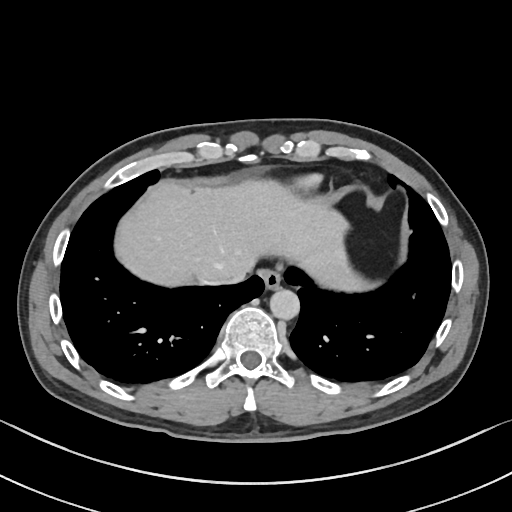

CT, abdomen/pelvis — axial plane, index 178 — soft-tissue window
<organs><organ name="esophagus" x1="258" y1="269" x2="281" y2="289"/><organ name="liver" x1="114" y1="181" x2="374" y2="291"/><organ name="aorta" x1="270" y1="289" x2="299" y2="320"/><organ name="inferior vena cava" x1="200" y1="275" x2="235" y2="283"/></organs>